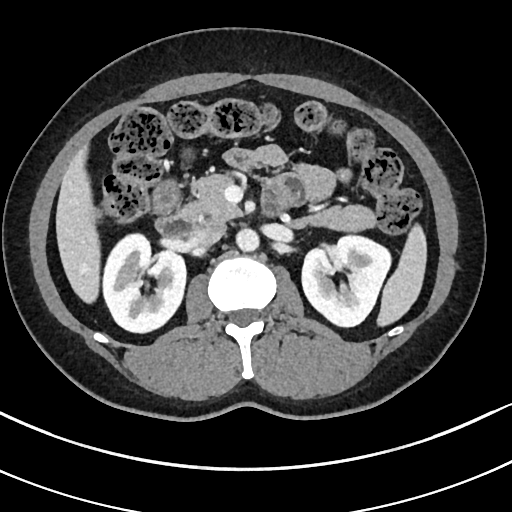

CT abdomen. axial plane, index 137. soft-tissue window
One row per box, in pixels: columns x1 and y1 give the top-left corner, x2 and y2 the bottom-right.
| organ | x1 | y1 | x2 | y2 |
|---|---|---|---|---|
| duodenum | 152 | 181 | 284 | 237 |
| left kidney | 302 | 234 | 392 | 326 |
| inferior vena cava | 189 | 221 | 225 | 247 |
| right kidney | 102 | 234 | 185 | 331 |
| aorta | 235 | 228 | 258 | 250 |
| liver | 56 | 146 | 99 | 302 |
| pancreas | 179 | 175 | 374 | 230 |
| spleen | 376 | 224 | 425 | 326 |